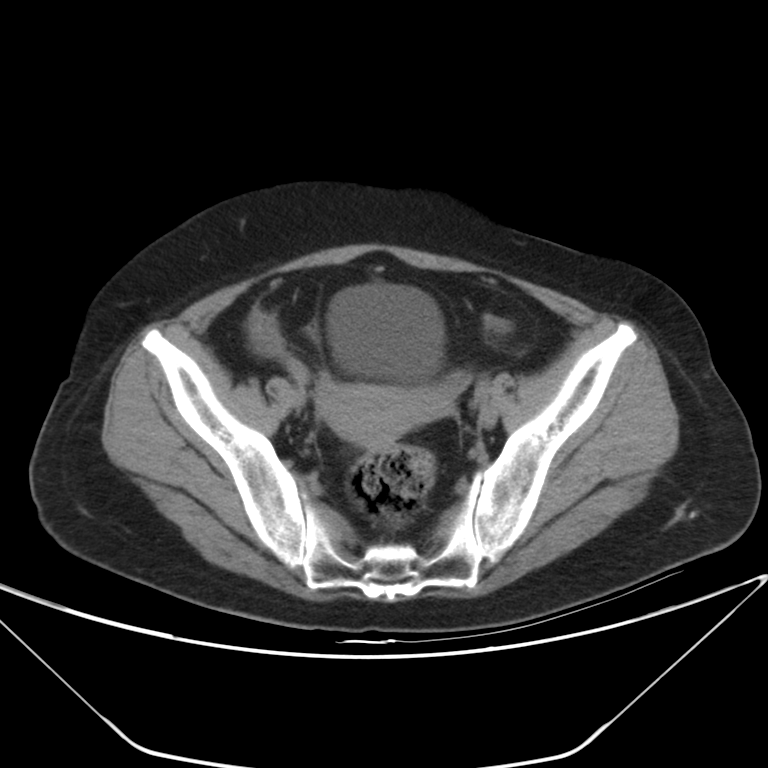
Abdominal CT; Axial slice 25/94; W/L 400/40 HU; acquired on Brilliance16
<organs><organ name="bladder" x1="328" y1="283" x2="443" y2="383"/><organ name="prostate/uterus" x1="319" y1="384" x2="427" y2="449"/></organs>